CT abdomen — axial view — W/L 400/40 HU — SOMATOM Force scanner
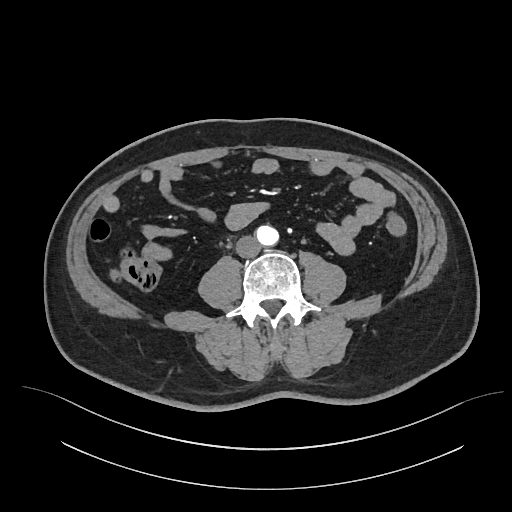
Boxes: x1 y1 x2 y2 (pixel coords, space-separated).
Organ bounding boxes:
- aorta: 254 225 278 245
- inferior vena cava: 236 236 261 257